Abdominal CT; this slice is in the lower chest, just above the liver — axial plane, index 321
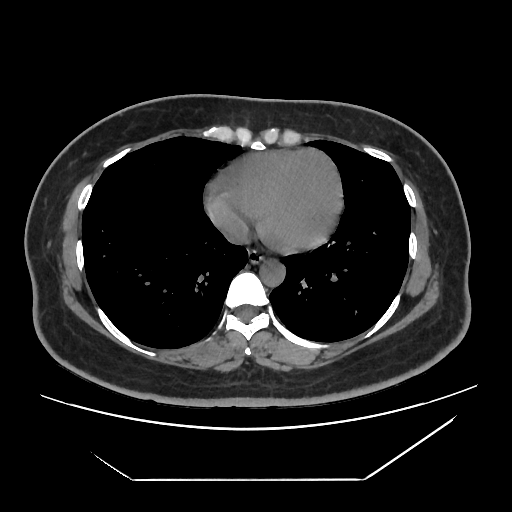 Of the structures in the chest, this dataset labels only the esophagus, the aorta and the inferior vena cava; the heart and lungs have no label. Box edges are left/top/right/bottom in pixels. The annotated organs in this slice are: inferior vena cava at left=225, top=225, right=248, bottom=242, aorta at left=259, top=260, right=285, bottom=287, esophagus at left=248, top=250, right=264, bottom=264.